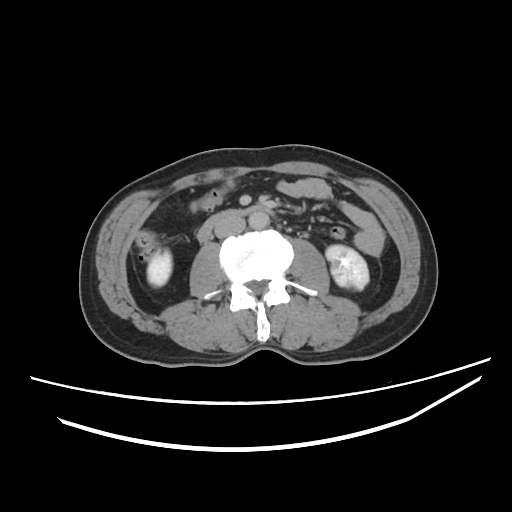

Abdominal CT; axial view
Boxes: x1 y1 x2 y2 (pixel coords, space-separated). Labeled organs on this slice: right kidney at 147 250 171 286, left kidney at 326 245 369 290, aorta at 248 212 269 229, inferior vena cava at 213 217 245 237, duodenum at 197 205 274 243.